Abdominal MR. axial view. percentile-normalized
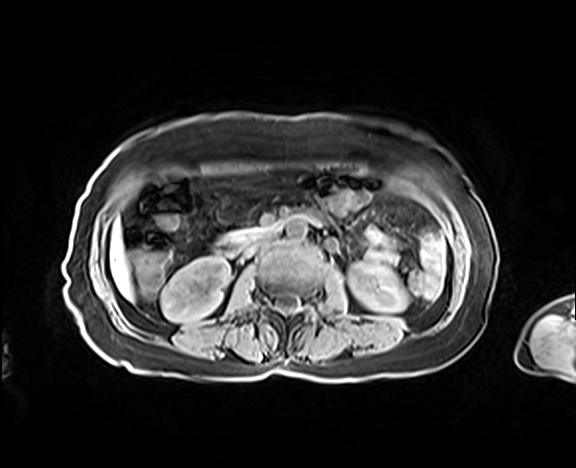 <organs><organ name="duodenum" x1="214" y1="210" x2="315" y2="257"/><organ name="left kidney" x1="348" y1="261" x2="407" y2="312"/><organ name="liver" x1="110" y1="221" x2="132" y2="299"/><organ name="aorta" x1="286" y1="217" x2="307" y2="239"/><organ name="right kidney" x1="161" y1="256" x2="230" y2="322"/><organ name="pancreas" x1="224" y1="228" x2="257" y2="240"/><organ name="inferior vena cava" x1="246" y1="233" x2="273" y2="255"/></organs>